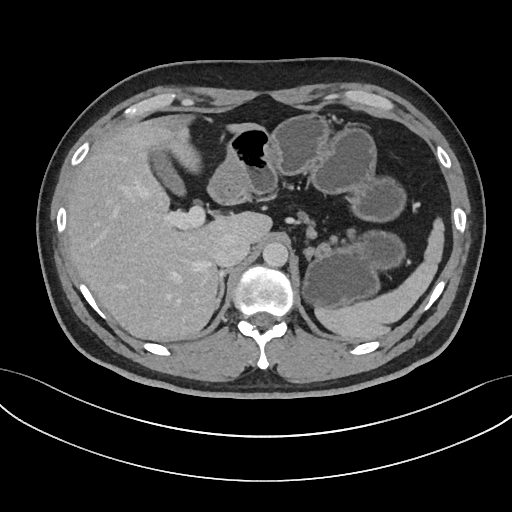
CT, abdomen/pelvis — axial view — 512x512 px — scan has 15 labeled organs (a whole-scan count: organs this slice does not pass through have no box)
Boxes: x1:y1:x2:y2 in pixels.
pancreas: 298:212:355:258
gall bladder: 149:147:185:195
right adrenal gland: 215:269:230:309
spleen: 315:218:444:339
aorta: 262:242:288:267
stomach: 208:113:406:310
inferior vena cava: 212:234:249:266
liver: 67:115:272:341